CT abdomen — axial view — 768x768 px
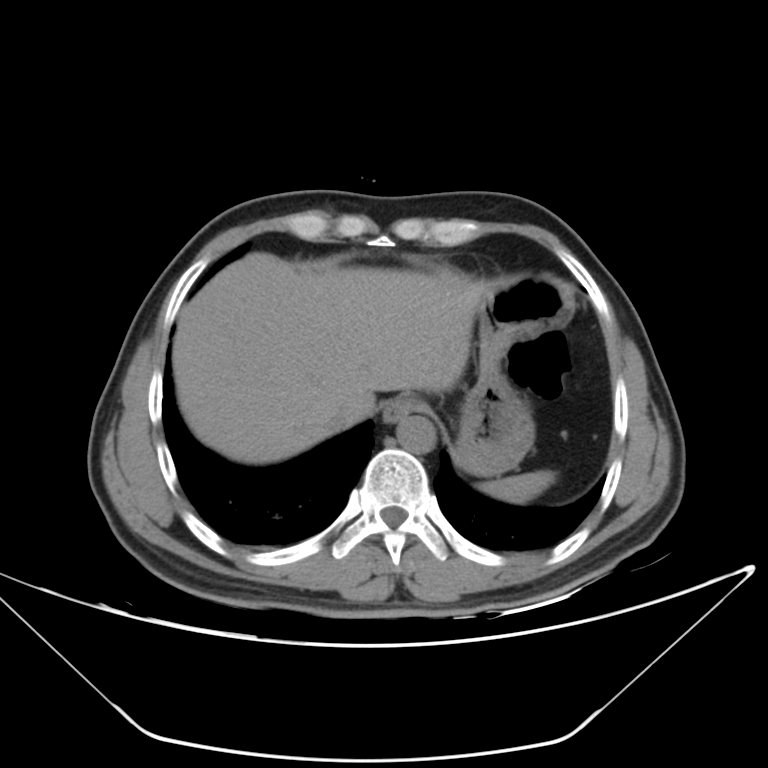

Boxes are (x1, y1, x2, y2) in pixels.
Organ bounding boxes:
- stomach: (455, 276, 574, 476)
- esophagus: (383, 398, 417, 423)
- inferior vena cava: (320, 395, 362, 431)
- spleen: (479, 470, 555, 503)
- liver: (172, 252, 490, 463)
- aorta: (396, 415, 435, 453)